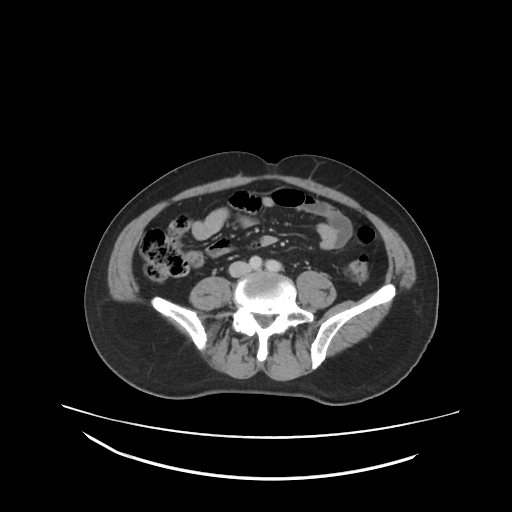 Computed tomography, abdomen · axial view · 512x512 px · 15 organs annotated in this scan (counted over the whole 3D scan, not this slice; an organ is boxed only where this slice passes through it)
Coordinates as <box>x1,y1,x2,y2</box> in pixels. Labeled organs on this slice: inferior vena cava at <box>228,261,252,276</box>.